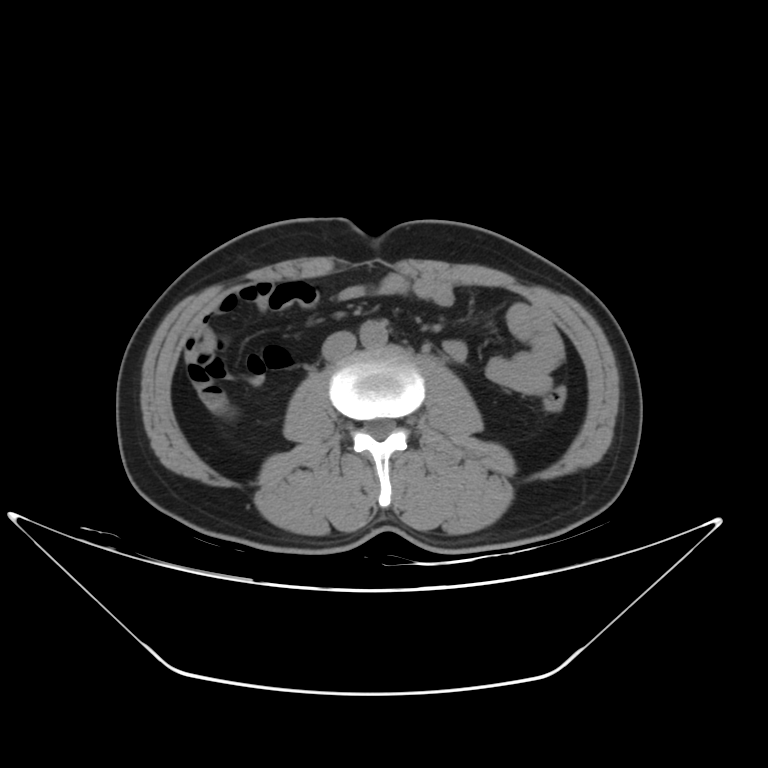

Abdominal CT — axial view — soft-tissue window — 768x768 px
Bounding boxes in pixels, one row per box: x1, y1 is the top-left corner and x2, y2 the bottom-right.
| organ | x1 | y1 | x2 | y2 |
|---|---|---|---|---|
| aorta | 359 | 320 | 387 | 347 |
| inferior vena cava | 323 | 332 | 356 | 361 |